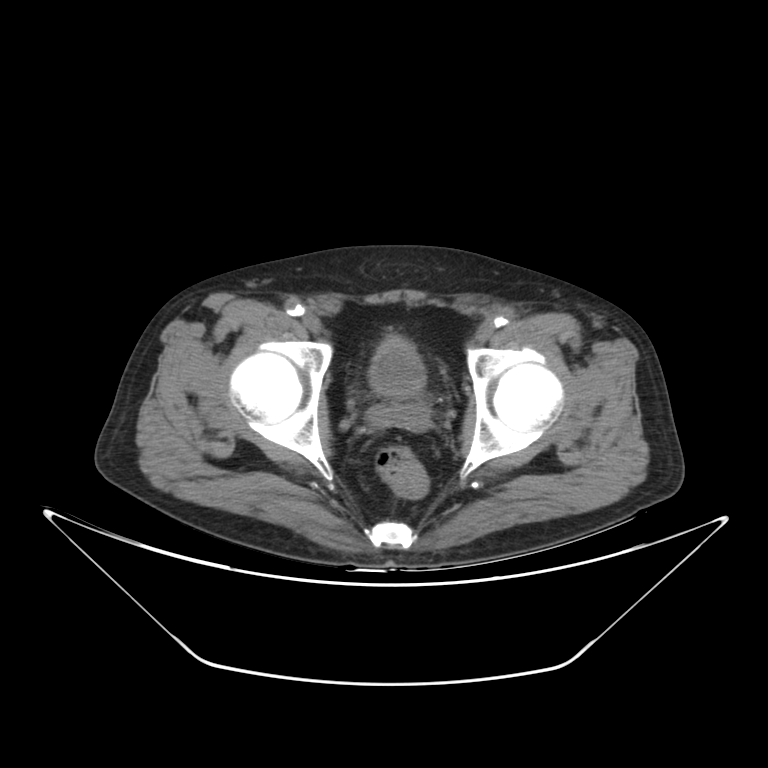

Computed tomography, abdomen · Axial slice 18/94 · 59-year-old male patient · acquired on Brilliance16
Coordinates as <box>x1,y1,x2,y2</box> in pixels.
bladder: <box>368,336,426,395</box>